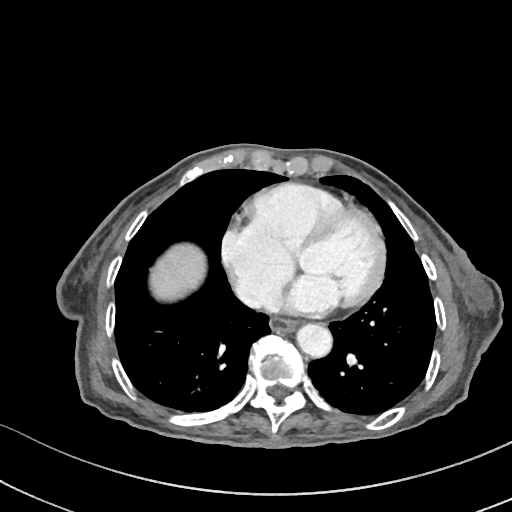 Abdominal CT; axial plane, index 224; W/L 400/40 HU; 512x512 px; scan has 15 labeled organs (that count is for the whole scan; organs this slice misses have no box)
Boxes: x1 y1 x2 y2 (pixel coords, space-separated).
liver: 150 244 205 300
inferior vena cava: 236 282 258 305
esophagus: 270 318 296 332
aorta: 297 323 332 358